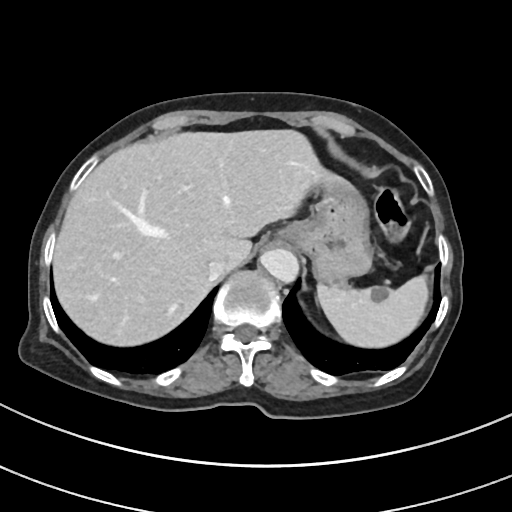 Abdominal CT. axial view. W/L 400/40 HU. SOMATOM Force scanner
Boxes: x1:y1:x2:y2 in pixels.
Organ bounding boxes:
- inferior vena cava: 207:259:231:278
- esophagus: 278:226:300:240
- spleen: 316:275:427:346
- liver: 54:130:350:346
- aorta: 260:248:299:284
- stomach: 291:185:372:283